Abdominal MR — Coronal slice 80/144 — 1st–99th percentile window — acquired on Prisma
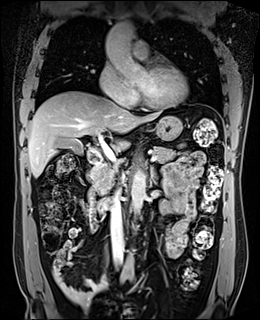 <organs><organ name="gall bladder" x1="56" y1="138" x2="83" y2="154"/><organ name="liver" x1="28" y1="91" x2="162" y2="177"/><organ name="stomach" x1="153" y1="116" x2="182" y2="140"/><organ name="aorta" x1="105" y1="21" x2="147" y2="82"/><organ name="aorta" x1="131" y1="169" x2="145" y2="214"/><organ name="aorta" x1="120" y1="252" x2="134" y2="273"/><organ name="inferior vena cava" x1="110" y1="182" x2="123" y2="266"/><organ name="pancreas" x1="91" y1="146" x2="177" y2="194"/><organ name="left adrenal gland" x1="150" y1="166" x2="157" y2="178"/><organ name="duodenum" x1="87" y1="149" x2="112" y2="213"/></organs>